CT abdomen — axial view — soft-tissue window
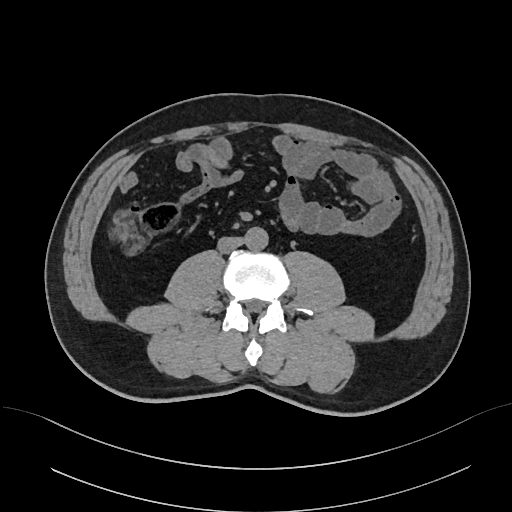
One row per box, in pixels: columns x1 and y1 give the top-left corner, x2 and y2 the bottom-right.
| organ | x1 | y1 | x2 | y2 |
|---|---|---|---|---|
| aorta | 244 | 227 | 268 | 250 |
| inferior vena cava | 218 | 236 | 243 | 253 |